CT, abdomen/pelvis · Axial slice 62/294 · soft-tissue window · 512x512 px · scan has 15 labeled organs (a whole-scan count: organs this slice does not pass through have no box)
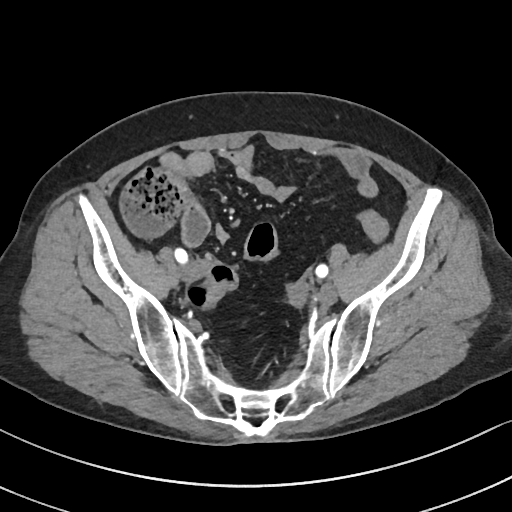

Each box given as x1,y1,x2,y2.
prostate/uterus: x1=289, y1=283, x2=304, y2=303